Abdominal CT · axial view · 512x512 px · acquired on SOMATOM Force
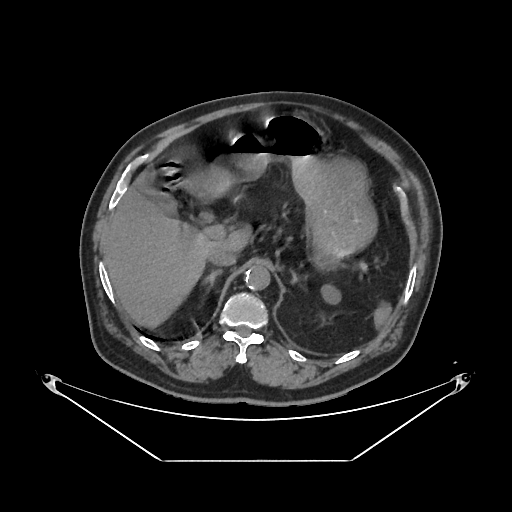
Boxes: x1:y1:x2:y2 in pixels. Labeled organs on this slice: spleen at 376:304:390:324, left kidney at 321:286:341:302, gall bladder at 137:182:163:207, liver at 104:172:247:325, stomach at 202:113:375:268, aorta at 244:265:270:290, inferior vena cava at 208:248:236:265, right adrenal gland at 201:269:223:289, left adrenal gland at 290:272:306:283, duodenum at 204:193:219:204.